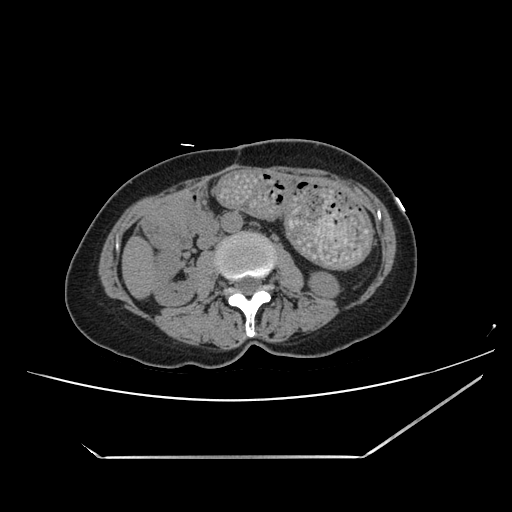
CT abdomen. axial view. acquired on SOMATOM Force. scan has 14 labeled organs (a whole-scan count: organs this slice does not pass through have no box)
Boxes: x1 y1 x2 y2 (pixel coords, space-separated). 8 labeled organs on this slice — right kidney at 153 249 199 305; left kidney at 308 272 339 297; liver at 122 235 154 298; stomach at 160 168 372 269; aorta at 221 212 242 232; inferior vena cava at 197 233 218 248; pancreas at 159 198 202 226; duodenum at 142 215 216 250.